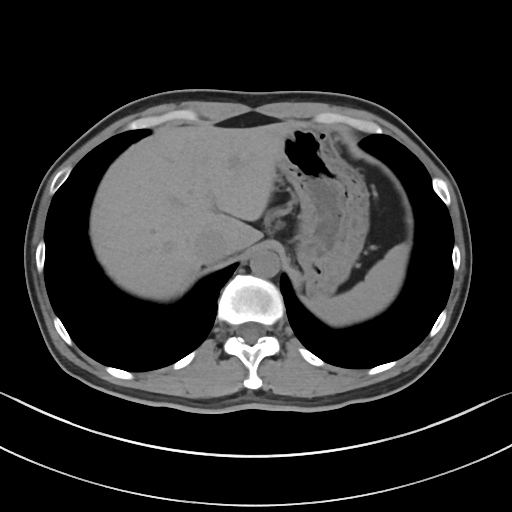

CT abdomen; Axial slice 74/87; abdomen soft-tissue window; 512x512 px
Boxes are (x1, y1, x2, y2) in pixels. Labeled organs on this slice: inferior vena cava at (193, 229, 232, 263), spleen at (310, 243, 409, 326), aorta at (249, 250, 279, 277), liver at (90, 121, 300, 300), stomach at (277, 125, 369, 297).